Computed tomography, abdomen · axial plane, index 45 · soft-tissue window · 56-year-old male patient · acquired on Brilliance16 · scan has 14 labeled organs (that count is for the whole scan; organs this slice misses have no box)
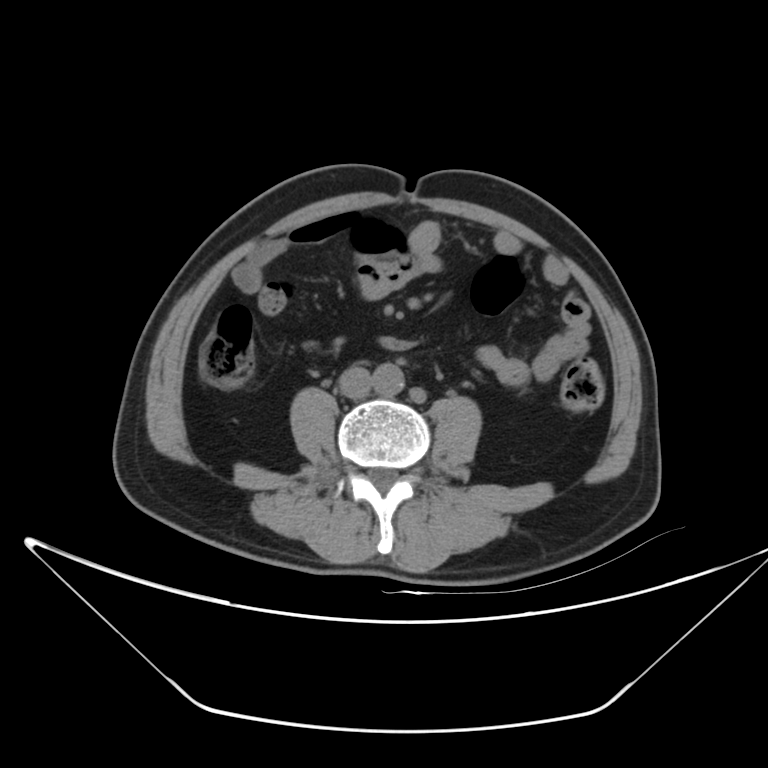
Boxes: x1 y1 x2 y2 (pixel coords, space-separated).
aorta: 371 363 404 397
inferior vena cava: 339 366 370 399